CT, abdomen/pelvis · Axial slice 17/99 · soft-tissue window (W 400 / L 40) · 768x768 px · 66-year-old male patient · 15 organs annotated in this scan (that count is for the whole scan; organs this slice misses have no box)
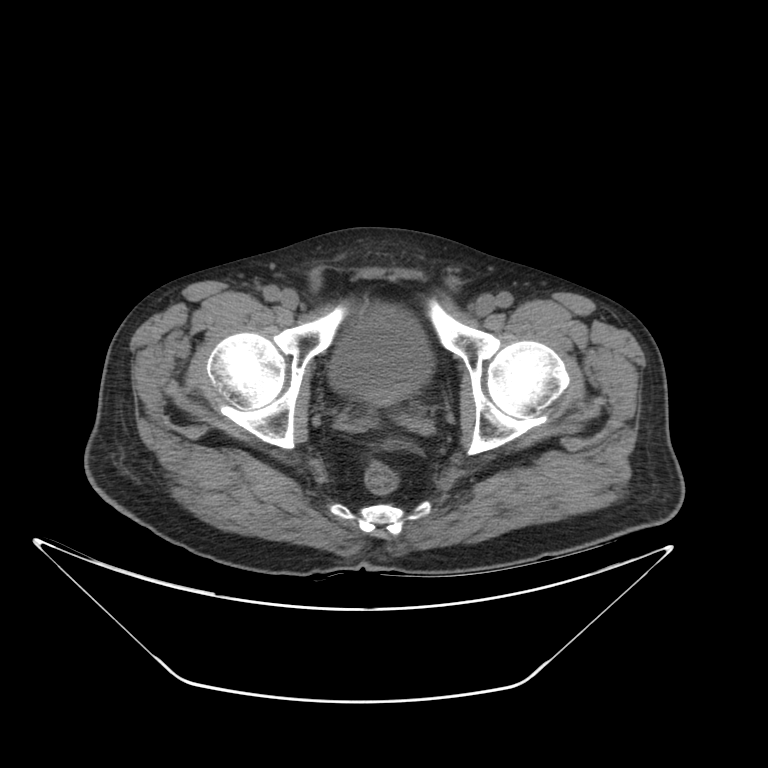

Box edges are left/top/right/bottom in pixels.
bladder: left=331, top=311, right=430, bottom=394